Computed tomography, abdomen. Axial slice 65/88. W/L 400/40 HU. 15 organs annotated in this scan (that count is for the whole scan; organs this slice misses have no box)
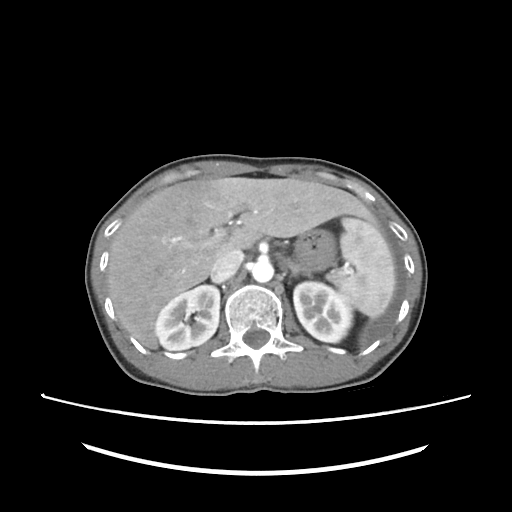 Boxes are (x1, y1, x2, y2) in pixels.
spleen: (335, 217, 395, 317)
right kidney: (155, 285, 219, 350)
left kidney: (293, 281, 352, 342)
liver: (107, 177, 378, 349)
stomach: (295, 228, 335, 270)
aorta: (251, 260, 273, 282)
inferior vena cava: (211, 249, 243, 282)
left adrenal gland: (288, 261, 311, 276)